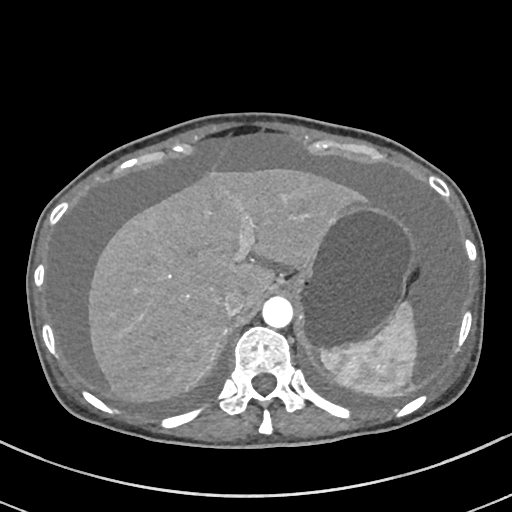 CT, abdomen/pelvis; axial plane, index 186; abdomen soft-tissue window; 512x512 px; scan has 15 labeled organs (that count is for the whole scan; organs this slice misses have no box)
Boxes are (x1, y1, x2, y2) in pixels. Labeled organs on this slice: spleen at (322, 299, 419, 398), liver at (88, 167, 360, 404), stomach at (290, 201, 415, 354), aorta at (262, 296, 292, 327), inferior vena cava at (222, 289, 247, 316).